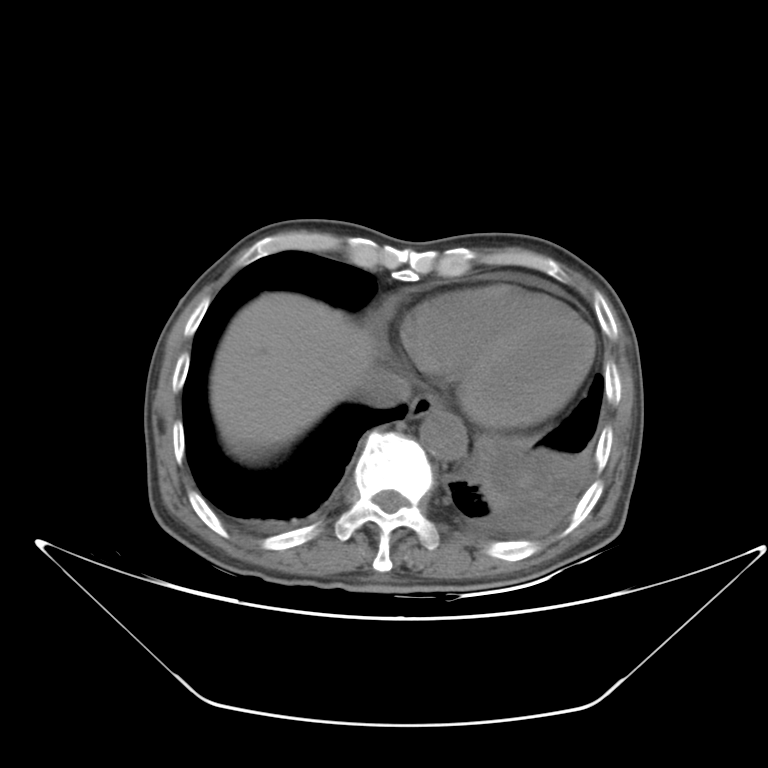

CT abdomen. Axial slice 85/90
One row per box, in pixels: columns x1 and y1 give the top-left corner, x2 and y2 the bottom-right.
| organ | x1 | y1 | x2 | y2 |
|---|---|---|---|---|
| esophagus | 407 | 393 | 445 | 418 |
| liver | 210 | 290 | 380 | 450 |
| aorta | 420 | 411 | 469 | 462 |
| inferior vena cava | 365 | 369 | 411 | 407 |